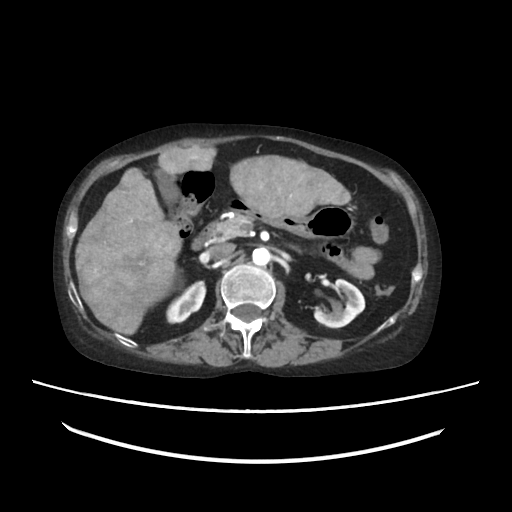

CT abdomen; axial view; 512x512 px; 61-year-old female patient; Aquilion ONE scanner; 15 organs annotated in this scan (counted over the whole 3D scan, not this slice; an organ is boxed only where this slice passes through it)
Coordinates as <box>x1,y1,x2,y2</box> in pixels.
pancreas: <box>214,215,265,237</box>
gall bladder: <box>153,171,178,205</box>
left kidney: <box>314,277,363,327</box>
aorta: <box>253,248,269,264</box>
duodenum: <box>191,221,343,260</box>
liver: <box>74,146,350,335</box>
right kidney: <box>166,280,206,322</box>
stomach: <box>228,200,352,237</box>
inferior vena cava: <box>211,242,234,258</box>